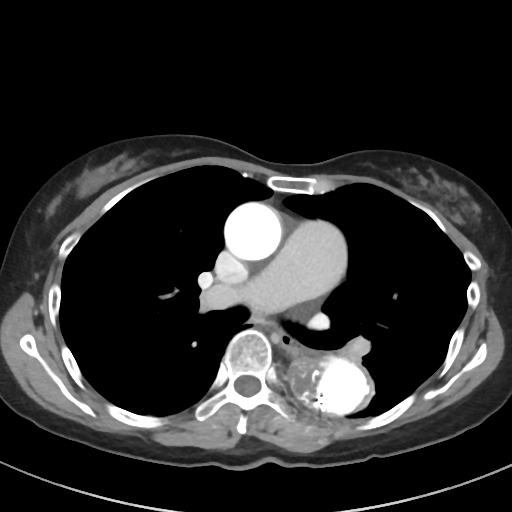 Chest-level slice from an abdominal CT that extends up into the chest; axial plane, index 92
On a slice this high in the chest, this dataset labels only the esophagus and the aorta, and each is boxed only where it is labeled; the heart, lungs and other chest structures are not labeled.
One row per box, in pixels: columns x1 and y1 give the top-left corner, x2 and y2 the bottom-right.
| organ | x1 | y1 | x2 | y2 |
|---|---|---|---|---|
| esophagus | 277 | 333 | 295 | 350 |
| aorta | 293 | 352 | 368 | 414 |
| aorta | 224 | 202 | 282 | 260 |